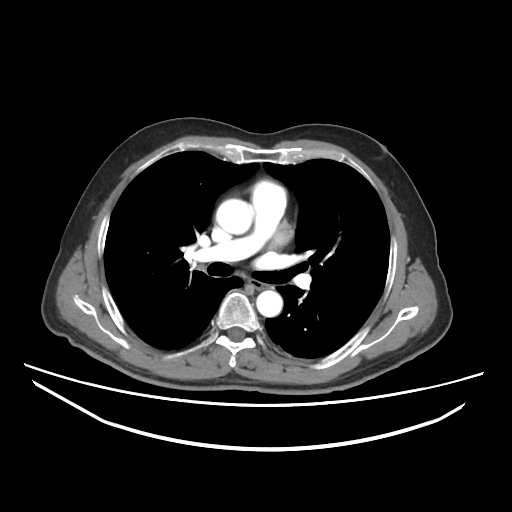 CT of the abdomen extending into the chest, slice through the chest; axial view; soft-tissue window; 512x512 px
On a slice this high in the chest, this dataset labels only the esophagus and the aorta, and each is boxed only where it is labeled; the heart, lungs and other chest structures are not labeled.
Bounding boxes in pixels, one row per box: x1, y1 is the top-left corner and x2, y2 the bottom-right.
| organ | x1 | y1 | x2 | y2 |
|---|---|---|---|---|
| aorta | 216 | 199 | 253 | 234 |
| aorta | 256 | 290 | 282 | 316 |
| esophagus | 249 | 280 | 266 | 290 |